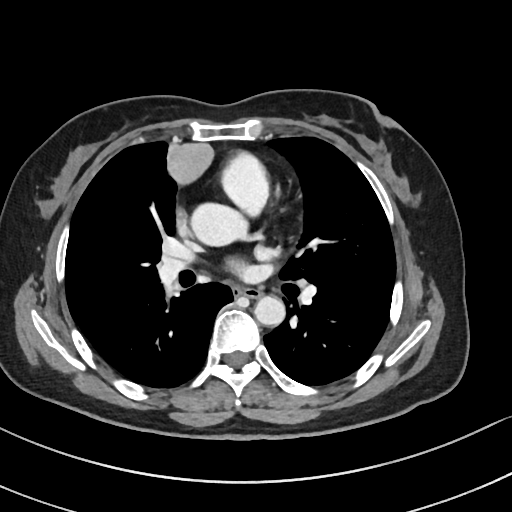 Chest-level CT slice, above the liver and spleen. axial view. soft-tissue window, W/L 400/40. 512x512 px. scan has 14 labeled organs (a whole-scan count: organs this slice does not pass through have no box)
On a slice this high in the chest, this dataset labels only the esophagus and the aorta, and each is boxed only where it is labeled; the heart, lungs and other chest structures are not labeled.
<organs><organ name="aorta" x1="190" y1="202" x2="244" y2="246"/><organ name="aorta" x1="253" y1="296" x2="284" y2="326"/><organ name="esophagus" x1="234" y1="286" x2="261" y2="297"/></organs>